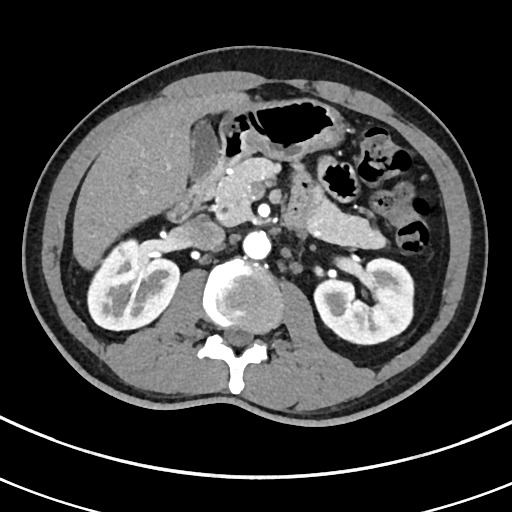 Abdominal CT. axial view. soft-tissue window (W 400 / L 40). 512x512 px
Boxes are (x1, y1, x2, y2) in pixels.
right kidney: (86, 242, 178, 329)
left kidney: (313, 258, 415, 343)
gall bladder: (190, 118, 219, 181)
liver: (73, 91, 248, 267)
stomach: (220, 97, 341, 160)
aorta: (243, 230, 270, 258)
inferior vena cava: (184, 218, 224, 251)
pancreas: (212, 158, 383, 247)
duodenum: (165, 126, 249, 222)